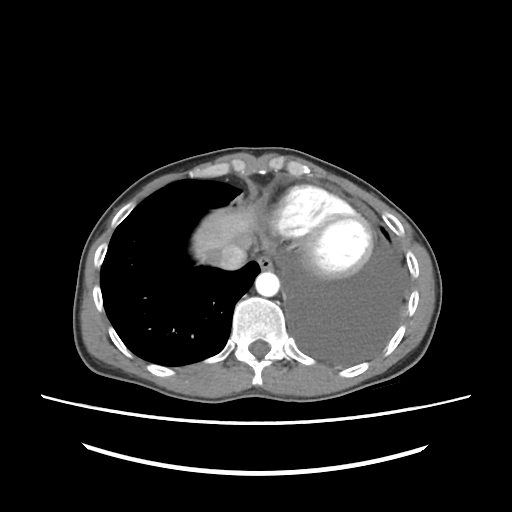

CT abdomen — axial view — abdomen soft-tissue window — 512x512 px — 46-year-old male patient
Boxes: x1:y1:x2:y2 in pixels.
Organ bounding boxes:
- esophagus: 258:254:273:269
- liver: 193:208:255:263
- aorta: 255:271:279:296
- inferior vena cava: 217:242:246:269